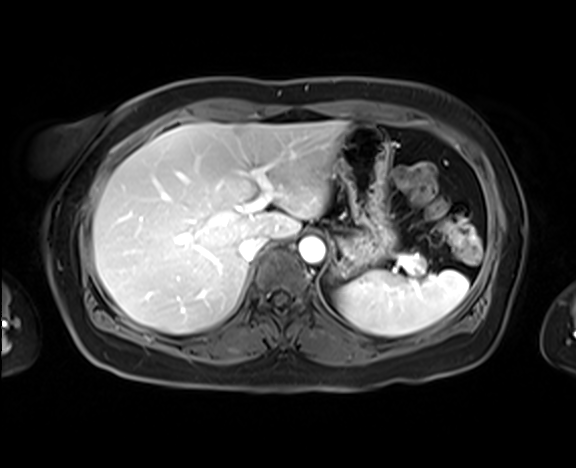 MRI, abdomen · Axial slice 41/72 · acquired on Prisma · 13 organs annotated in this scan (counted over the whole 3D scan, not this slice; an organ is boxed only where this slice passes through it)
Boxes are (x1, y1, x2, y2) in pixels. Labeled organs on this slice: spleen at (337, 270, 468, 336), liver at (93, 121, 347, 333), stomach at (336, 123, 395, 273), aorta at (298, 237, 325, 263), inferior vena cava at (239, 235, 268, 261), pancreas at (416, 259, 425, 271).